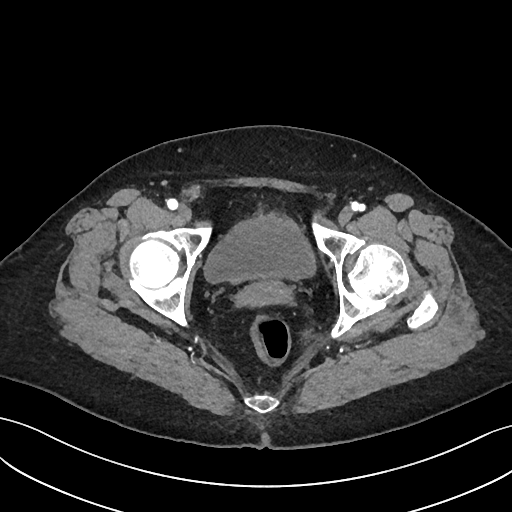

CT, abdomen/pelvis · axial plane, index 21
Boxes: x1:y1:x2:y2 in pixels.
Organ bounding boxes:
- bladder: 204:214:314:282